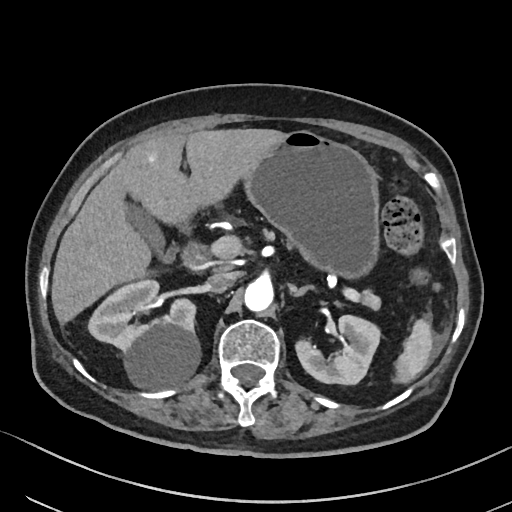 CT abdomen; Axial slice 168/297
Box edges are left/top/right/bottom in pixels.
Organ bounding boxes:
- left adrenal gland: left=290, top=287, right=315, bottom=297
- stomach: left=246, top=131, right=380, bottom=275
- pancreas: left=263, top=229, right=380, bottom=308
- liver: left=51, top=128, right=283, bottom=325
- duodenum: left=184, top=245, right=205, bottom=265
- left kidney: left=294, top=316, right=379, bottom=385
- aorta: left=244, top=279, right=273, bottom=311
- spleen: left=393, top=318, right=432, bottom=382
- inferior vena cava: left=205, top=271, right=236, bottom=292
- right kidney: left=89, top=280, right=198, bottom=388
- gall bladder: left=127, top=204, right=169, bottom=256